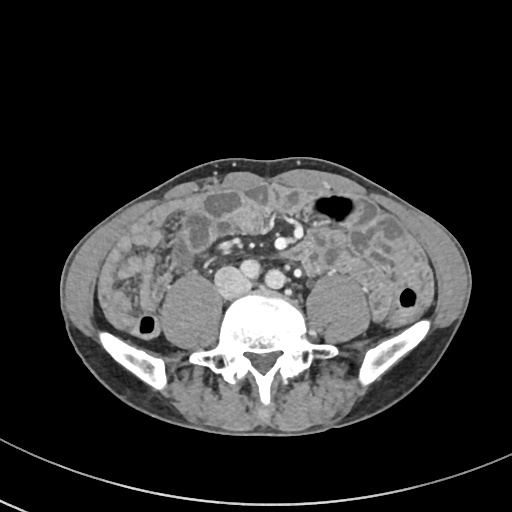

Computed tomography, abdomen. Axial slice 105/306. acquired on SOMATOM Force. scan has 15 labeled organs (that count is for the whole scan; organs this slice misses have no box)
Each box given as x1,y1,x2,y2.
Organ bounding boxes:
- inferior vena cava: x1=215, y1=267, x2=249, y2=297